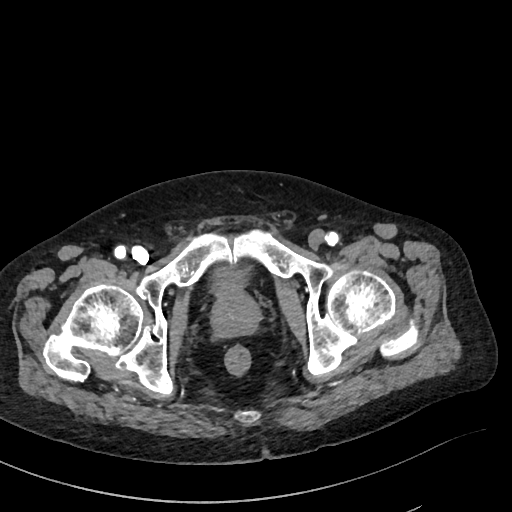

CT abdomen. axial view
Boxes are (x1, y1, x2, y2) in pixels. Labeled organs on this slice: bladder at (214, 267, 248, 294), prostate/uterus at (211, 289, 258, 335).